CT abdomen · axial view · soft-tissue window · acquired on SOMATOM Force
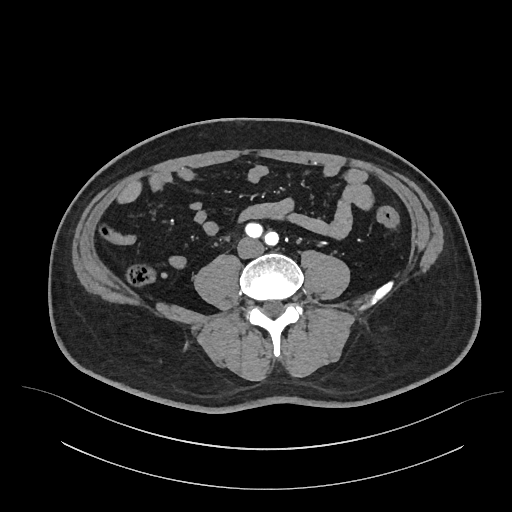

Bounding boxes as [x1, y1, x2, y2] in pixel coordinates.
Organ bounding boxes:
- inferior vena cava: [237, 237, 264, 258]